CT abdomen · axial plane, index 79 · soft-tissue window
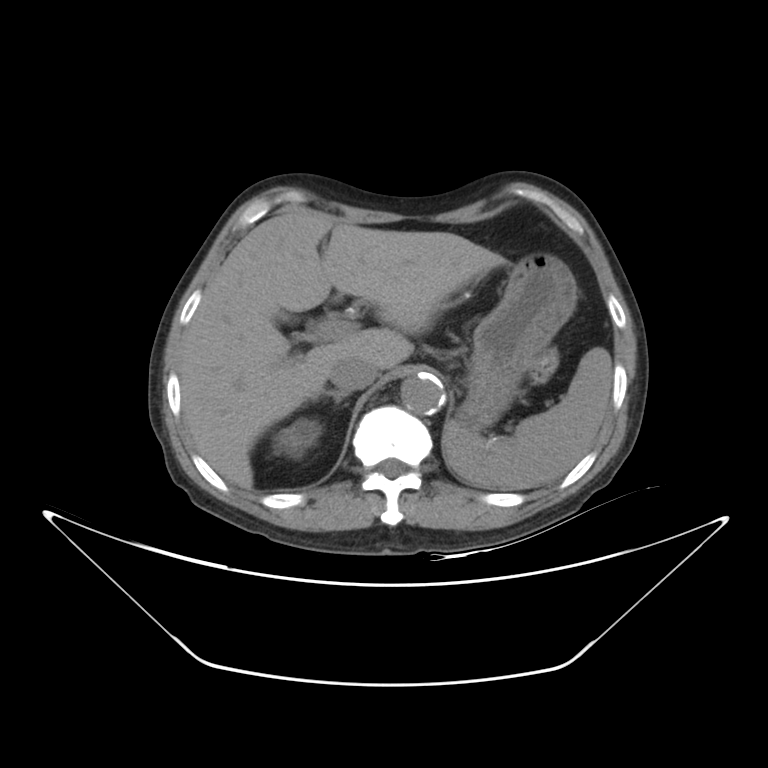
Bounding boxes as [x1, y1, x2, y2] in pixel coordinates.
spleen: [444, 347, 611, 489]
right kidney: [270, 417, 322, 458]
gall bladder: [277, 313, 292, 322]
liver: [179, 214, 505, 488]
stomach: [457, 252, 577, 430]
aorta: [401, 376, 444, 413]
inferior vena cava: [328, 355, 377, 391]
right adrenal gland: [311, 390, 348, 403]